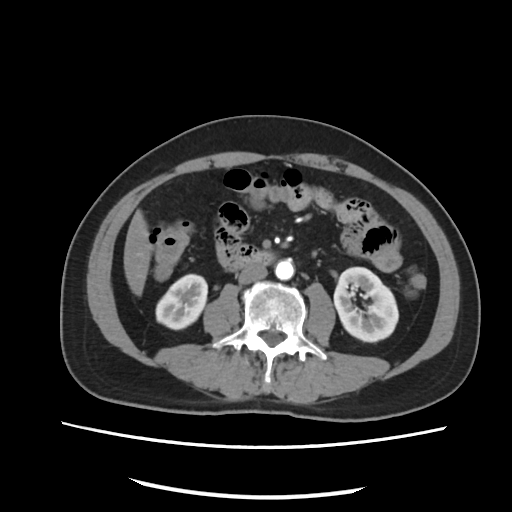
CT, abdomen/pelvis · Axial slice 61/91 · 512x512 px
Boxes: x1 y1 x2 y2 (pixel coords, space-separated).
Organ bounding boxes:
- right kidney: 155 275 208 329
- left kidney: 335 267 398 341
- liver: 122 209 150 295
- aorta: 276 259 294 279
- inferior vena cava: 239 266 267 283
- duodenum: 223 244 274 273